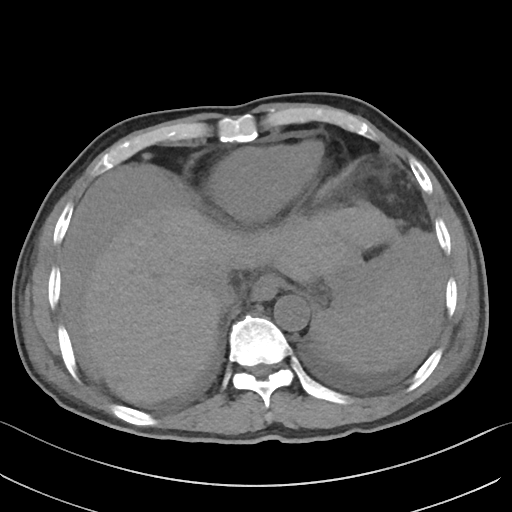
CT abdomen; axial view; soft-tissue window; SOMATOM Force scanner
<organs><organ name="spleen" x1="313" y1="265" x2="421" y2="372"/><organ name="esophagus" x1="250" y1="274" x2="281" y2="301"/><organ name="liver" x1="84" y1="204" x2="399" y2="403"/><organ name="stomach" x1="326" y1="260" x2="365" y2="304"/><organ name="aorta" x1="274" y1="295" x2="309" y2="331"/><organ name="inferior vena cava" x1="207" y1="272" x2="239" y2="310"/></organs>